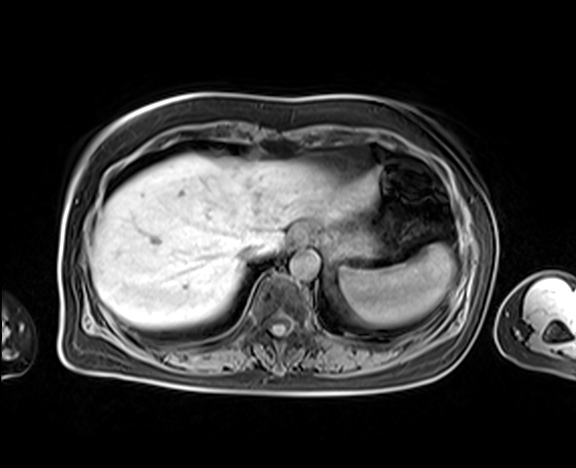

MRI, abdomen. Axial slice 49/72. 1st–99th percentile window. scan has 12 labeled organs (counted over the whole 3D scan, not this slice; an organ is boxed only where this slice passes through it)
Boxes: x1 y1 x2 y2 (pixel coords, space-separated).
spleen: 340 244 454 325
esophagus: 286 225 308 250
liver: 91 153 378 327
stomach: 301 224 377 261
aorta: 289 251 319 279
inferior vena cava: 239 243 266 263